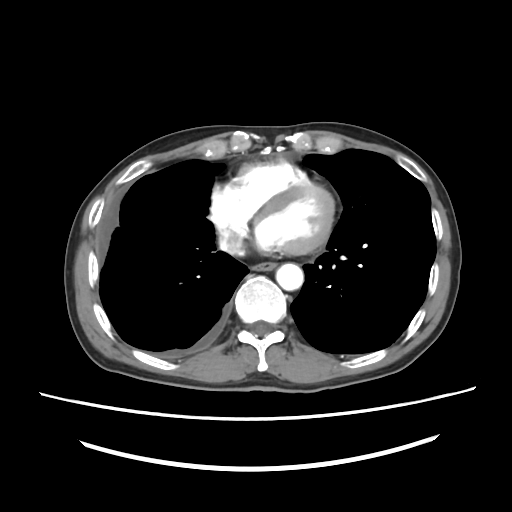 Abdominal CT; this slice is in the lower chest, just above the liver. Axial slice 88/134
Of the structures in the chest, this dataset labels only the esophagus, the aorta and the inferior vena cava; the heart and lungs have no label.
One row per box, in pixels: columns x1 and y1 give the top-left corner, x2 and y2 the bottom-right.
| organ | x1 | y1 | x2 | y2 |
|---|---|---|---|---|
| esophagus | 252 | 262 | 276 | 270 |
| aorta | 276 | 263 | 303 | 290 |
| inferior vena cava | 219 | 228 | 243 | 254 |